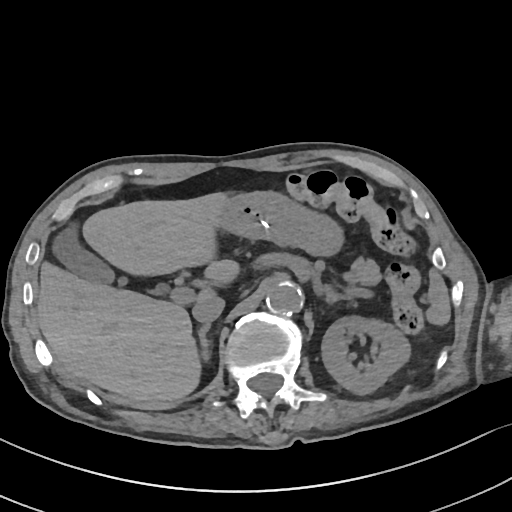

Computed tomography, abdomen. axial view. soft-tissue window
Boxes: x1 y1 x2 y2 (pixel coords, space-separated).
Organ bounding boxes:
- spleen: 425 268 449 326
- left kidney: 321 316 409 392
- gall bladder: 50 224 112 282
- liver: 36 192 240 402
- stomach: 220 190 344 255
- aorta: 265 280 303 316
- inferior vena cava: 191 294 224 323
- pancreas: 354 259 378 283
- right adrenal gland: 197 324 209 359
- left adrenal gland: 325 286 345 305